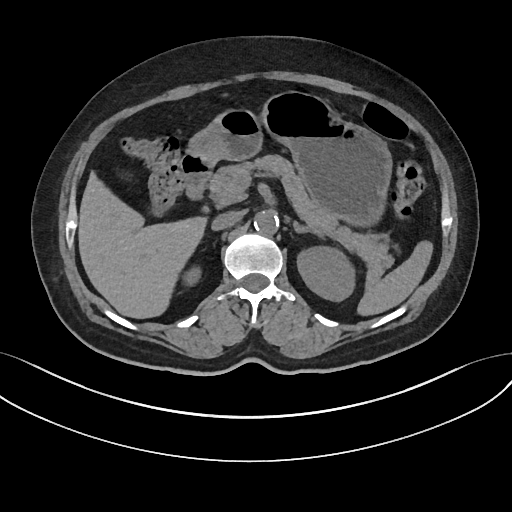 CT, abdomen/pelvis · axial view · abdomen soft-tissue window · 512x512 px · acquired on SOMATOM Force · scan has 15 labeled organs (counted over the whole 3D scan, not this slice; an organ is boxed only where this slice passes through it)
<organs><organ name="spleen" x1="357" y1="240" x2="433" y2="315"/><organ name="right kidney" x1="187" y1="268" x2="200" y2="284"/><organ name="left kidney" x1="297" y1="246" x2="355" y2="301"/><organ name="liver" x1="78" y1="172" x2="206" y2="318"/><organ name="stomach" x1="188" y1="91" x2="391" y2="226"/><organ name="aorta" x1="254" y1="210" x2="279" y2="235"/><organ name="inferior vena cava" x1="211" y1="211" x2="241" y2="230"/><organ name="pancreas" x1="209" y1="154" x2="393" y2="284"/><organ name="left adrenal gland" x1="293" y1="221" x2="324" y2="235"/><organ name="duodenum" x1="181" y1="153" x2="213" y2="199"/></organs>